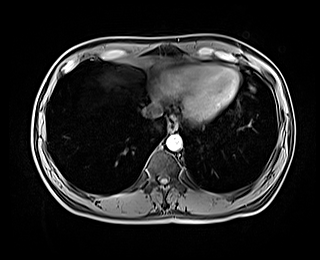

Abdominal MRI; this slice is in the lower chest, just above the liver; axial view; 320x260 px; acquired on Prisma
No part of the heart or lungs is labeled in this dataset, so neither has a box here.
{"organs":{"inferior vena cava":[142,103,163,118],"esophagus":[168,118,177,131],"aorta":[166,134,182,150]}}